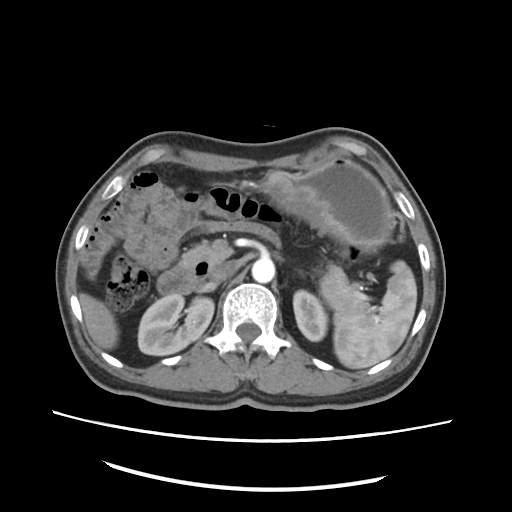
Computed tomography, abdomen. axial view. soft-tissue window. Aquilion ONE scanner
Bounding boxes as [x1, y1, x2, y2] in pixel coordinates.
Organ bounding boxes:
- spleen: [333, 167, 461, 369]
- right kidney: [138, 293, 214, 356]
- left kidney: [294, 290, 328, 341]
- liver: [80, 293, 117, 349]
- stomach: [265, 157, 391, 247]
- aorta: [252, 258, 274, 283]
- inferior vena cava: [211, 259, 237, 281]
- pancreas: [183, 244, 376, 312]
- duodenum: [158, 264, 211, 294]